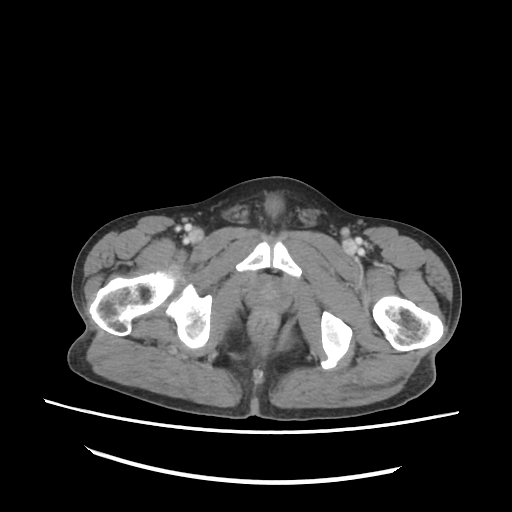 Computed tomography, abdomen. axial view. 61-year-old male patient. scan has 15 labeled organs (that count is for the whole scan; organs this slice misses have no box)
{"organs":{"prostate/uterus":[248,281,287,312]}}